Abdominal CT. axial view. soft-tissue window
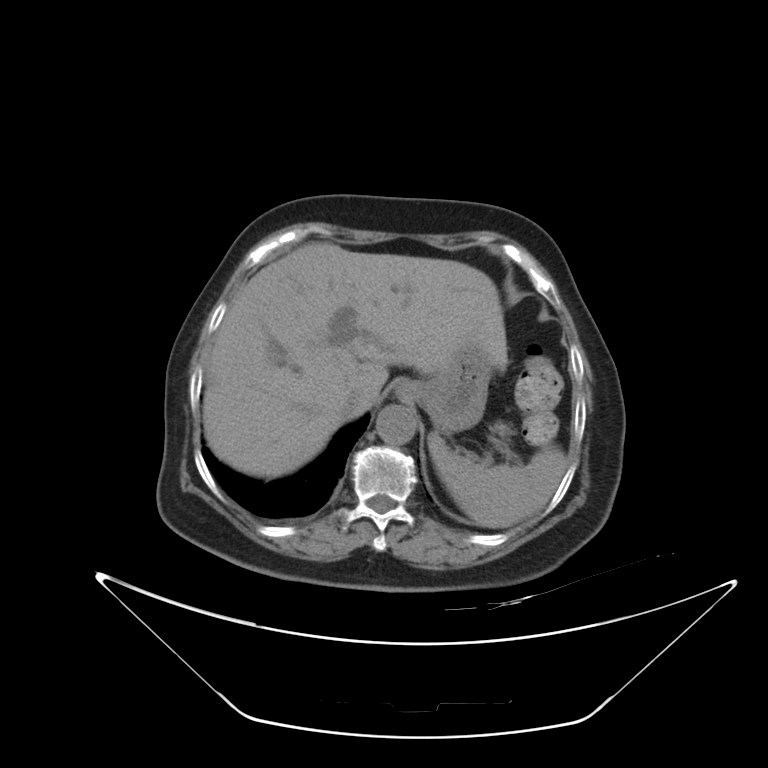

{"organs":{"spleen":[427,432,566,527],"liver":[202,243,507,477],"stomach":[394,343,494,435],"aorta":[376,404,416,444],"inferior vena cava":[338,391,366,419],"pancreas":[495,424,511,436]}}